CT abdomen; axial view; scan has 15 labeled organs (a whole-scan count: organs this slice does not pass through have no box)
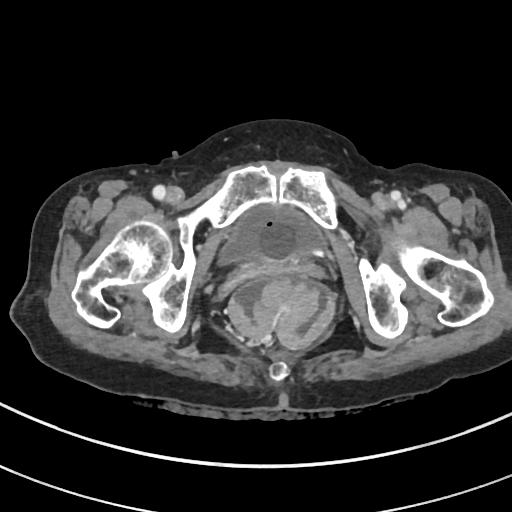

<organs><organ name="bladder" x1="219" y1="207" x2="326" y2="262"/></organs>